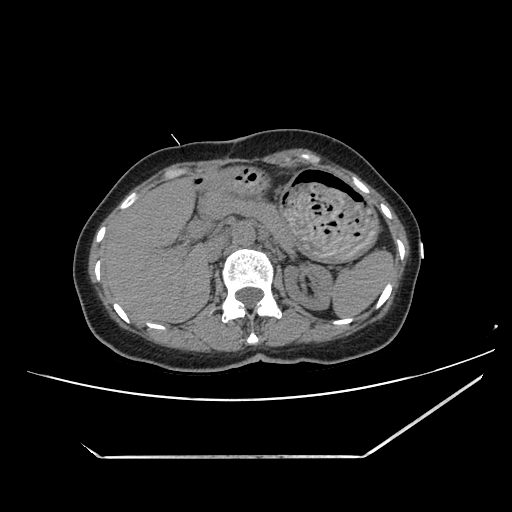
CT, abdomen/pelvis. axial plane, index 105. W/L 400/40 HU
{"organs":{"inferior vena cava":[204,236,227,262],"liver":[106,176,212,322],"pancreas":[200,191,295,254],"stomach":[199,166,380,261],"spleen":[331,250,394,318],"left kidney":[283,263,332,310],"aorta":[234,223,256,246],"right adrenal gland":[210,267,213,279]}}